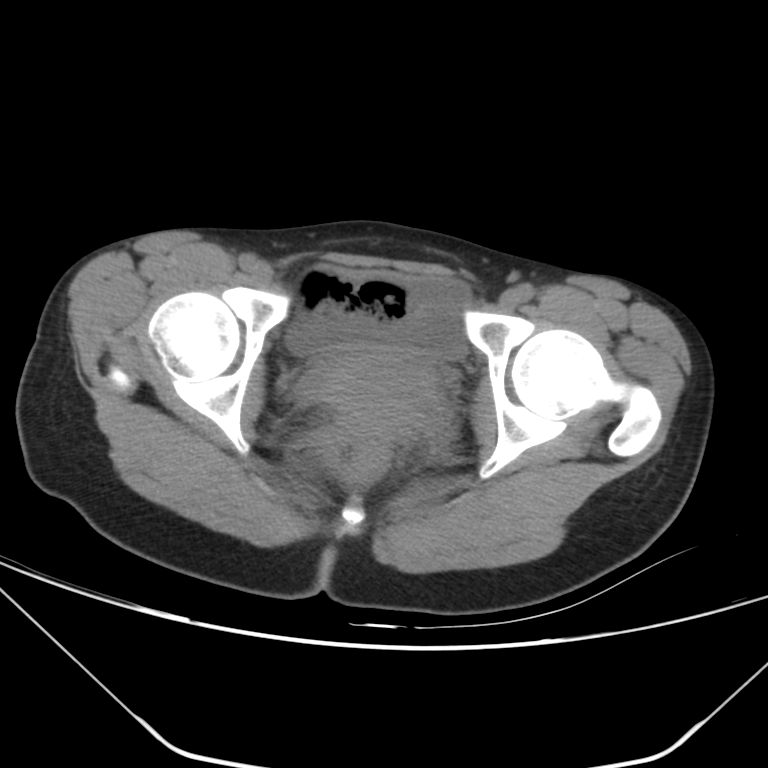 Abdominal CT; axial view; abdomen soft-tissue window; Brilliance16 scanner
Box edges are left/top/right/bottom in pixels.
Organ bounding boxes:
- prostate/uterus: left=326, top=357, right=429, bottom=432
- bladder: left=286, top=278, right=468, bottom=360